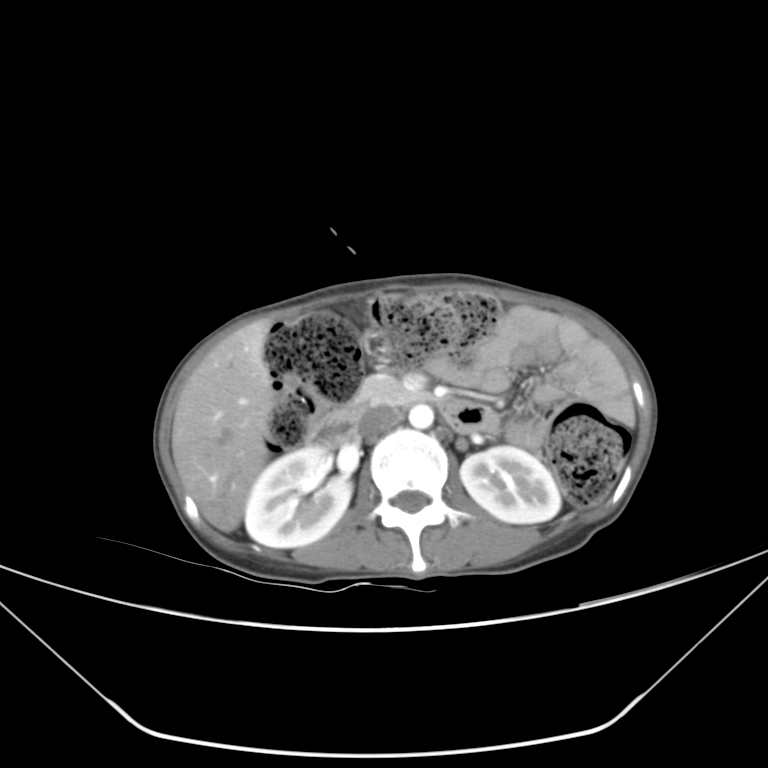 Computed tomography, abdomen · axial plane, index 57 · 768x768 px
{"organs":{"right kidney":[244,446,351,547],"left kidney":[460,446,560,523],"liver":[171,323,274,531],"aorta":[409,404,433,428],"inferior vena cava":[359,408,401,438],"pancreas":[349,374,424,408],"duodenum":[305,394,498,446]}}